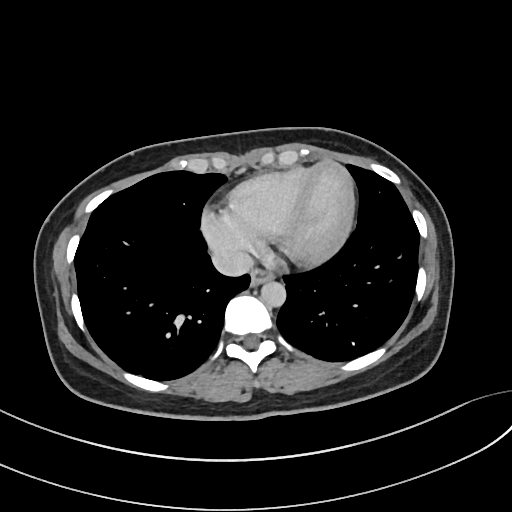

Abdominal CT; this slice is in the lower chest, just above the liver; axial view; 15 organs annotated in this scan (a whole-scan count: organs this slice does not pass through have no box)
No part of the heart or lungs is labeled in this dataset, so neither has a box here.
<organs><organ name="inferior vena cava" x1="212" y1="249" x2="253" y2="276"/><organ name="esophagus" x1="250" y1="268" x2="273" y2="284"/><organ name="aorta" x1="261" y1="281" x2="285" y2="307"/></organs>